CT abdomen. axial view. scan has 15 labeled organs (a whole-scan count: organs this slice does not pass through have no box)
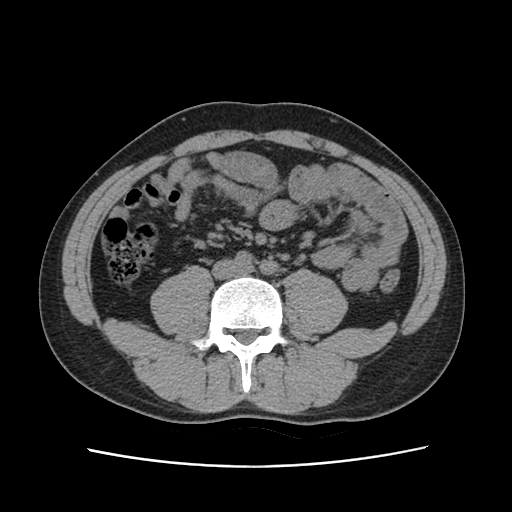

<organs><organ name="inferior vena cava" x1="212" y1="258" x2="248" y2="279"/></organs>